Computed tomography, abdomen · axial view · 512x512 px · acquired on SOMATOM Force
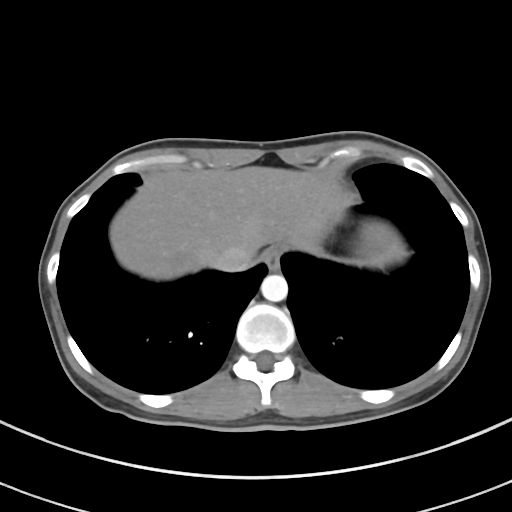 Bounding boxes as [x1, y1, x2, y2] in pixel coordinates. Labeled organs on this slice: esophagus at [262, 245, 283, 270], liver at [110, 166, 403, 279], stomach at [369, 262, 381, 264], aorta at [261, 274, 288, 301], inferior vena cava at [211, 245, 251, 271].